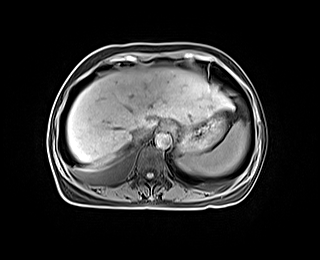

Abdominal MRI — axial view — 1st–99th percentile window — 320x260 px — 13 organs annotated in this scan (counted over the whole 3D scan, not this slice; an organ is boxed only where this slice passes through it)
One row per box, in pixels: columns x1 and y1 give the top-left corner, x2 and y2 the bottom-right.
| organ | x1 | y1 | x2 | y2 |
|---|---|---|---|---|
| spleen | 177 | 121 | 248 | 176 |
| esophagus | 162 | 122 | 173 | 130 |
| liver | 67 | 68 | 233 | 165 |
| stomach | 172 | 113 | 226 | 154 |
| aorta | 155 | 132 | 171 | 148 |
| inferior vena cava | 131 | 127 | 149 | 139 |